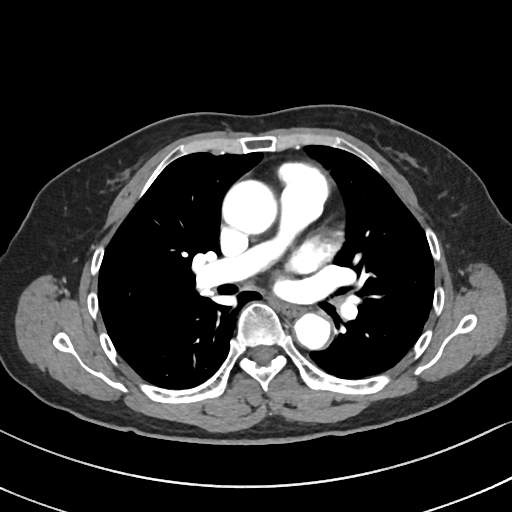 Chest-level slice from an abdominal CT that extends up into the chest. Axial slice 235/294. soft-tissue window, W/L 400/40. 15 organs annotated in this scan (counted over the whole 3D scan, not this slice; an organ is boxed only where this slice passes through it)
At this level of the chest no structure but the esophagus and the aorta has a label in this dataset, and those two are boxed only where they are labeled.
Organ boxes in pixel coordinates; each row gives the top-left (x1, y1) and bottom-right (x2, y2) corners.
| organ | x1 | y1 | x2 | y2 |
|---|---|---|---|---|
| aorta | 222 | 180 | 275 | 235 |
| aorta | 294 | 312 | 330 | 349 |
| esophagus | 279 | 303 | 302 | 315 |